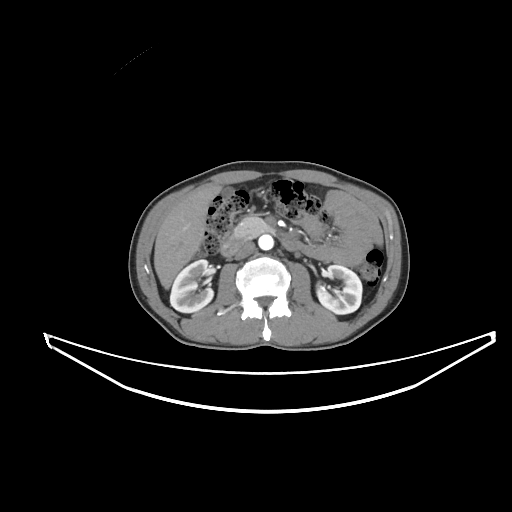

CT abdomen. axial view. soft-tissue window
Box edges are left/top/right/bottom in pixels.
Organ bounding boxes:
- right kidney: left=170, top=259, right=213, bottom=312
- left kidney: left=317, top=265, right=362, bottom=314
- gall bladder: left=224, top=188, right=231, bottom=194
- liver: left=154, top=185, right=221, bottom=289
- aorta: left=258, top=235, right=273, bottom=250
- inferior vena cava: left=235, top=241, right=255, bottom=259
- pancreas: left=232, top=216, right=274, bottom=238
- duodenum: left=220, top=236, right=300, bottom=256